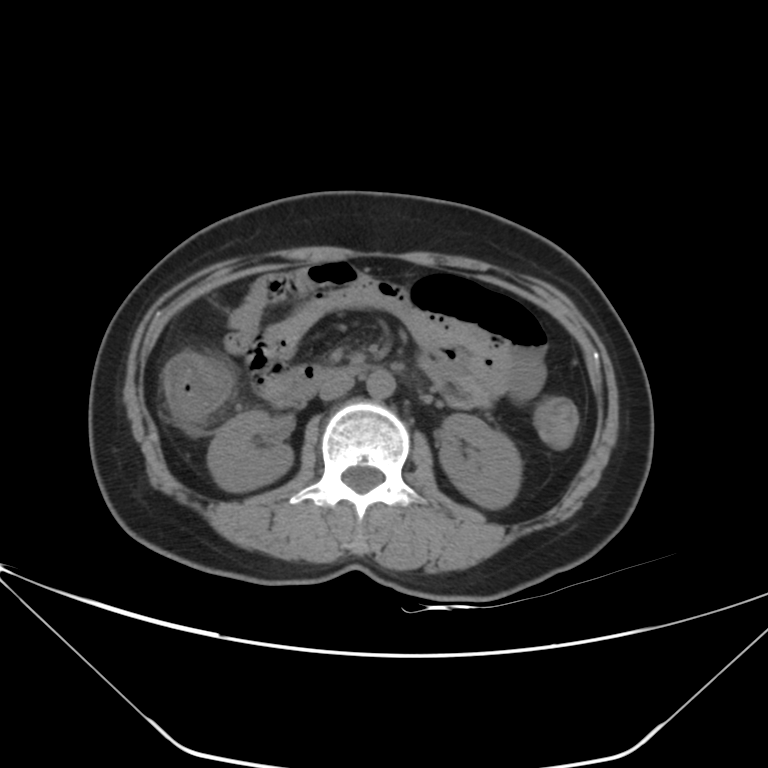

Abdominal CT · axial view · 768x768 px · Brilliance16 scanner
Bounding boxes in pixels, one row per box: x1, y1 is the top-left corner and x2, y2 the bottom-right.
| organ | x1 | y1 | x2 | y2 |
|---|---|---|---|---|
| aorta | 367 | 368 | 396 | 399 |
| inferior vena cava | 319 | 375 | 353 | 400 |
| left kidney | 438 | 414 | 521 | 509 |
| right kidney | 208 | 411 | 292 | 492 |
| duodenum | 284 | 365 | 366 | 407 |